CT, abdomen/pelvis. axial view. abdomen soft-tissue window
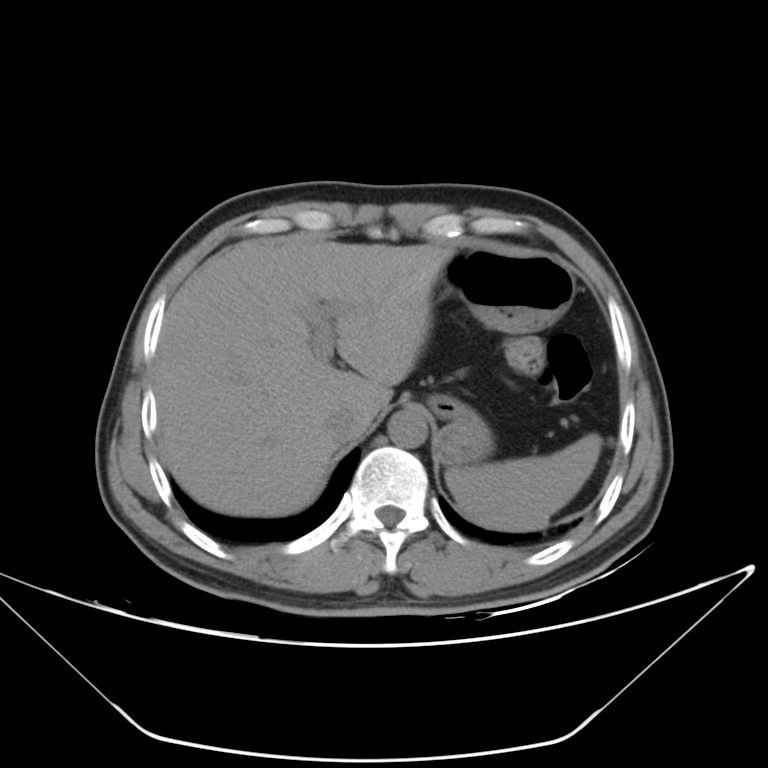 Box edges are left/top/right/bottom in pixels.
spleen: left=445, top=433, right=601, bottom=531
liver: left=153, top=234, right=455, bottom=516
stomach: left=430, top=248, right=574, bottom=464
aorta: left=388, top=408, right=427, bottom=448
inferior vena cava: left=324, top=408, right=359, bottom=443